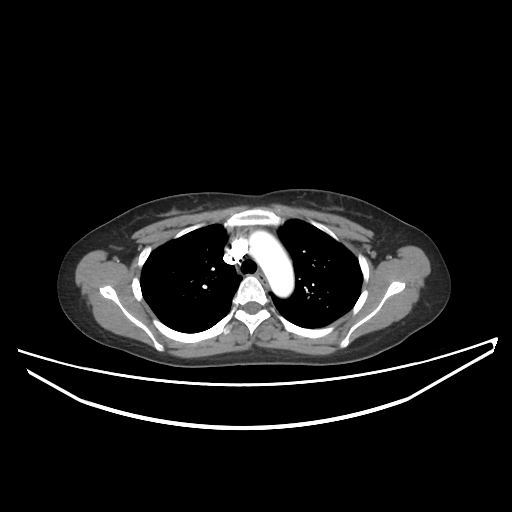

CT of the abdomen extending into the chest, slice through the chest. axial view. W/L 400/40 HU. 512x512 px. acquired on Aquilion ONE. scan has 15 labeled organs (a whole-scan count: organs this slice does not pass through have no box)
At this level of the chest this dataset labels only the esophagus and the aorta, and each is boxed only where it is labeled; the heart and lungs are never labeled.
{"organs":{"esophagus":[255,273,269,284],"aorta":[250,232,294,297]}}